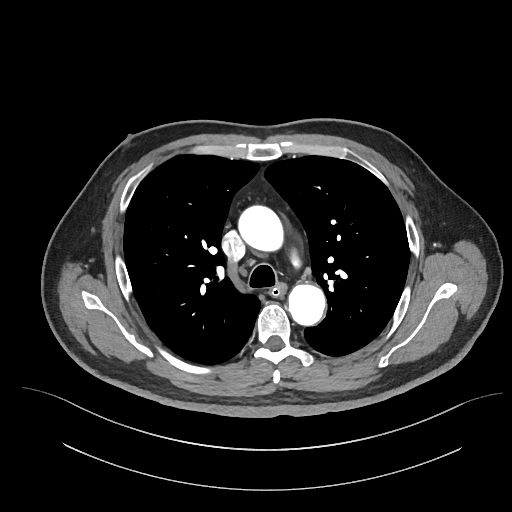
Abdominal CT reaching into the chest; this slice is in the chest. axial plane, index 277. W/L 400/40 HU
At this level of the chest this dataset labels only the esophagus and the aorta, and each is boxed only where it is labeled; the heart and lungs are never labeled.
{"organs":{"esophagus":[271,284,286,295],"aorta":[[238,205,281,249],[288,285,325,326]]}}